Computed tomography, abdomen · axial view · 512x512 px · acquired on SOMATOM Force
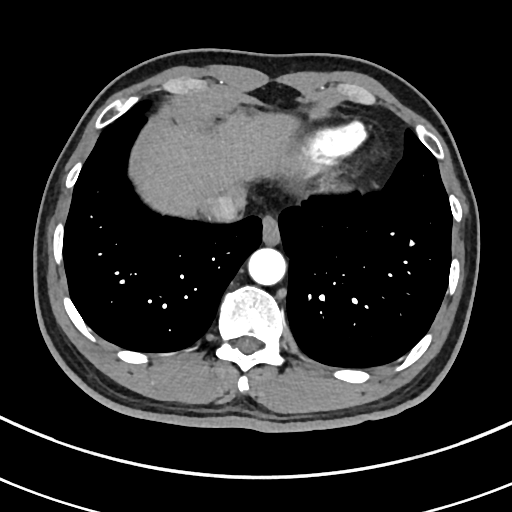 Boxes: x1:y1:x2:y2 in pixels. The annotated organs in this slice are: esophagus at 261:215:280:244, liver at 135:113:297:217, aorta at 248:247:286:285, inferior vena cava at 204:193:244:222.